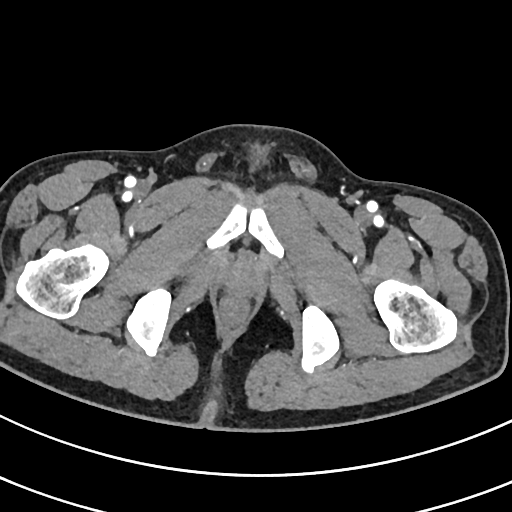 CT abdomen; axial view
{"organs":{"prostate/uterus":[223,262,259,296]}}